Chest-level slice from an abdominal CT that extends up into the chest — axial view — 512x512 px — SOMATOM Force scanner
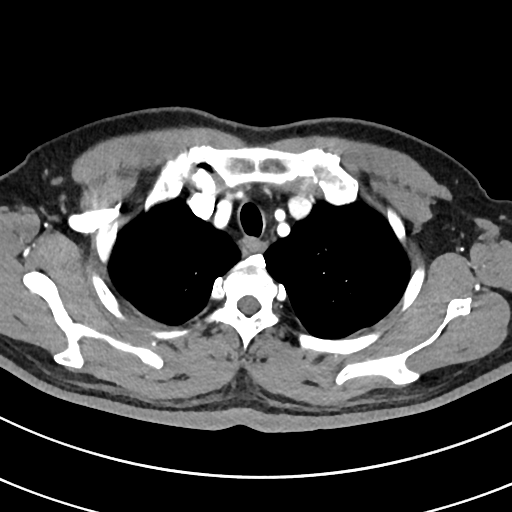 At this level of the chest this dataset labels only the esophagus and the aorta, and each is boxed only where it is labeled; the heart and lungs are never labeled.
<organs><organ name="esophagus" x1="242" y1="238" x2="264" y2="254"/></organs>